Computed tomography, abdomen · Axial slice 49/126
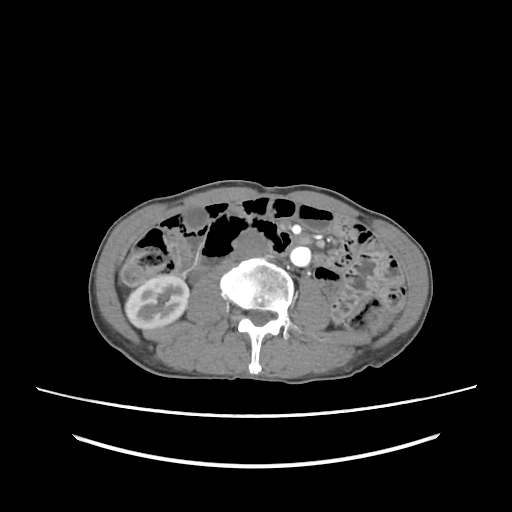

{"organs":{"right kidney":[125,274,189,329],"gall bladder":[184,208,205,228],"aorta":[290,246,310,266],"inferior vena cava":[236,230,270,257]}}